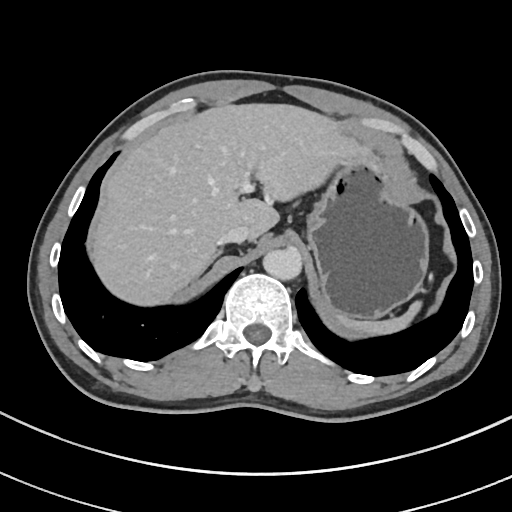

Computed tomography, abdomen · axial view · soft-tissue window · 512x512 px · scan has 15 labeled organs (that count is for the whole scan; organs this slice misses have no box)
Organ boxes in pixel coordinates; each row gives the top-left (x1, y1) and bottom-right (x2, y2) corners.
| organ | x1 | y1 | x2 | y2 |
|---|---|---|---|---|
| aorta | 262 | 247 | 301 | 280 |
| liver | 94 | 103 | 359 | 305 |
| right adrenal gland | 212 | 249 | 222 | 261 |
| inferior vena cava | 218 | 224 | 249 | 244 |
| spleen | 337 | 301 | 420 | 335 |
| stomach | 307 | 148 | 429 | 319 |